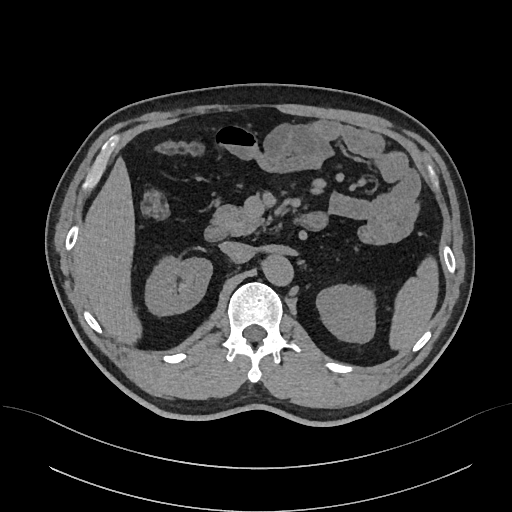

CT abdomen · axial view · W/L 400/40 HU
{"organs":{"spleen":[389,256,438,350],"right kidney":[145,256,212,316],"left kidney":[316,285,375,343],"liver":[74,157,141,344],"aorta":[262,255,293,285],"inferior vena cava":[219,241,251,261],"pancreas":[211,205,263,235],"duodenum":[204,225,227,241]}}